Lower-chest slice from an abdominal CT, just above the liver and spleen · Axial slice 192/291 · soft-tissue window, W/L 400/40
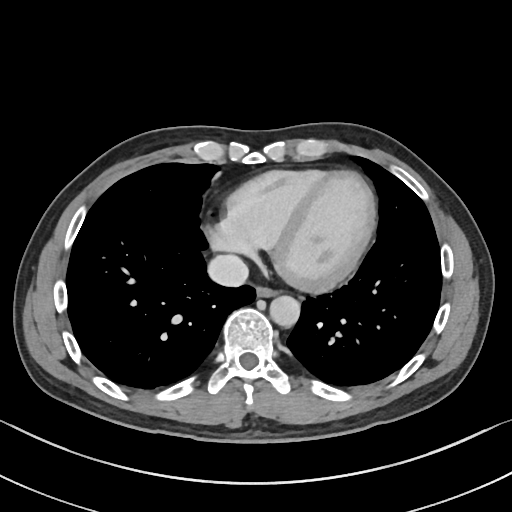
Of the structures in the chest, this dataset labels only the esophagus, the aorta and the inferior vena cava; the heart and lungs have no label.
Bounding boxes in pixels, one row per box: x1, y1 is the top-left corner and x2, y2 the bottom-right.
| organ | x1 | y1 | x2 | y2 |
|---|---|---|---|---|
| inferior vena cava | 207 | 254 | 248 | 287 |
| aorta | 270 | 296 | 299 | 327 |
| esophagus | 256 | 287 | 277 | 297 |